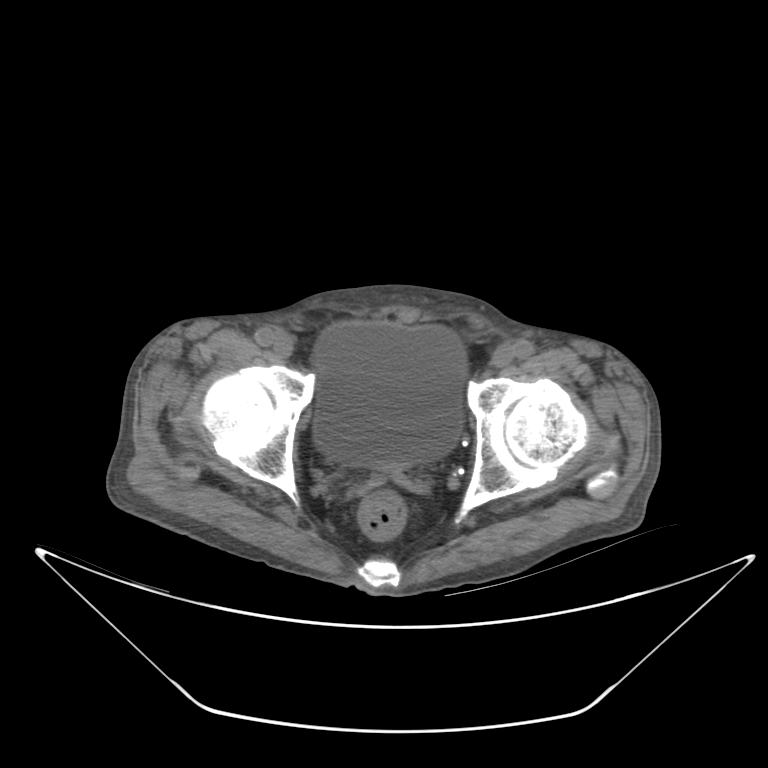

Abdominal CT. Axial slice 21/95. 768x768 px
Organ boxes in pixel coordinates; each row gives the top-left (x1, y1) and bottom-right (x2, y2) corners.
| organ | x1 | y1 | x2 | y2 |
|---|---|---|---|---|
| bladder | 312 | 324 | 464 | 468 |